CT abdomen — axial view — 80-year-old female patient — scan has 15 labeled organs (a whole-scan count: organs this slice does not pass through have no box)
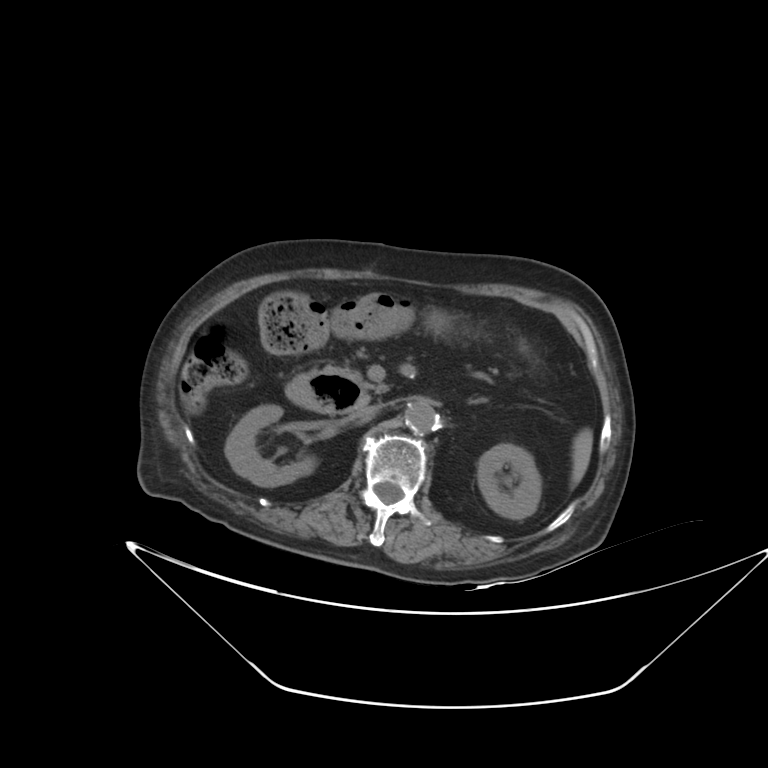

One row per box, in pixels: columns x1 and y1 give the top-left corner, x2 and y2 the bottom-right.
| organ | x1 | y1 | x2 | y2 |
|---|---|---|---|---|
| spleen | 571 | 428 | 592 | 486 |
| right kidney | 225 | 404 | 314 | 486 |
| left kidney | 477 | 443 | 541 | 519 |
| aorta | 405 | 401 | 437 | 433 |
| inferior vena cava | 352 | 403 | 383 | 418 |
| pancreas | 350 | 372 | 389 | 396 |
| duodenum | 285 | 369 | 368 | 414 |